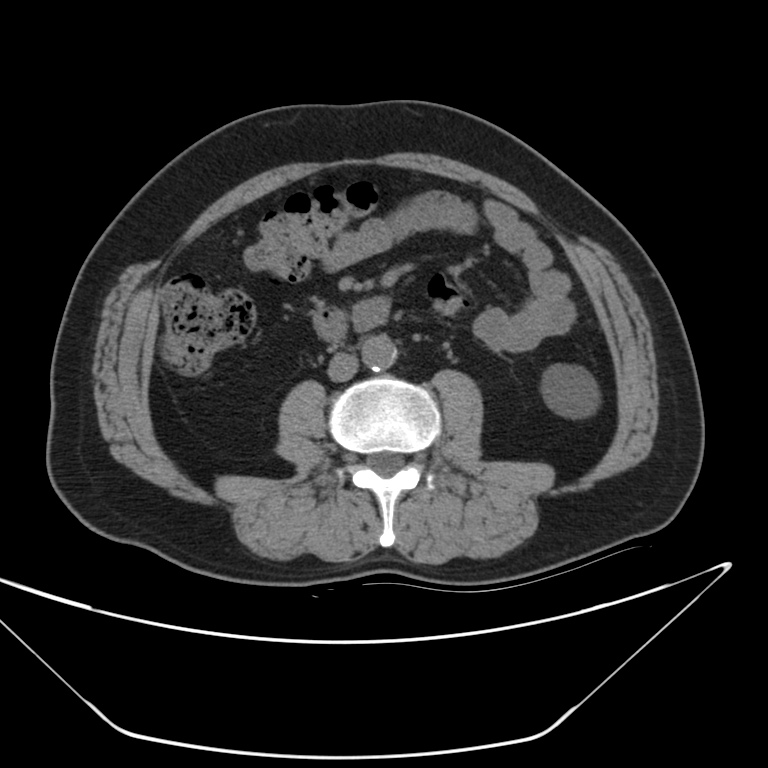 CT abdomen. axial view. 50-year-old male patient
Bounding boxes as [x1, y1, x2, y2] in pixel coordinates.
left kidney: [545, 365, 599, 420]
aorta: [362, 333, 399, 370]
duodenum: [313, 296, 391, 341]
inferior vena cava: [328, 353, 355, 380]